CT, abdomen/pelvis — axial view — soft-tissue window — 53-year-old male patient — 15 organs annotated in this scan (counted over the whole 3D scan, not this slice; an organ is boxed only where this slice passes through it)
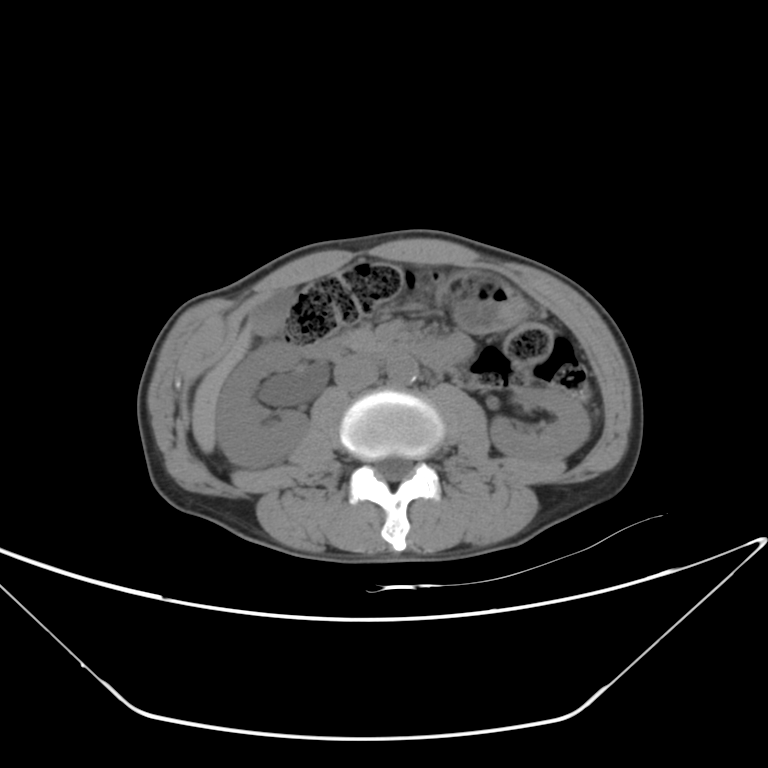
Boxes: x1 y1 x2 y2 (pixel coords, space-separated). The annotated organs in this slice are: right kidney at 215 340 308 467, left kidney at 489 386 590 464, gall bladder at 247 288 293 334, liver at 192 325 251 453, stomach at 443 271 525 333, aorta at 386 356 418 384, inferior vena cava at 334 356 378 390, pancreas at 337 329 385 355, duodenum at 303 340 447 368.